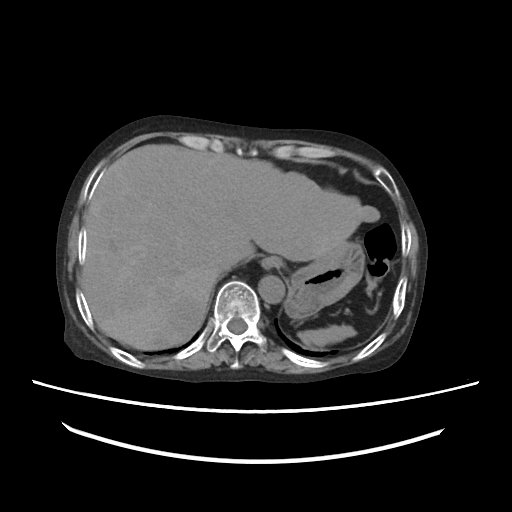
Abdominal CT — Axial slice 77/89 — W/L 400/40 HU — 512x512 px — 61-year-old female patient
Coordinates as <box>x1,y1,x2,y2</box> in pixels.
spleen: <box>298,325,356,346</box>
esophagus: <box>261,256,280,270</box>
liver: <box>81,144,379,349</box>
stomach: <box>285,242,364,319</box>
aorta: <box>258,275,284,303</box>
inferior vena cava: <box>214,247,240,271</box>